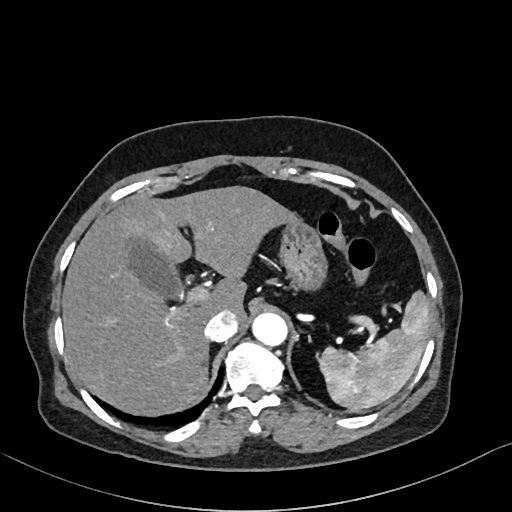 CT, abdomen/pelvis. axial view
Bounding boxes as [x1, y1, x2, y2] in pixel coordinates.
Organ bounding boxes:
- stomach: [279, 217, 327, 291]
- gall bladder: [124, 237, 182, 298]
- aorta: [252, 313, 287, 346]
- liver: [62, 185, 296, 415]
- inferior vena cava: [204, 311, 237, 341]
- spleen: [319, 291, 430, 411]